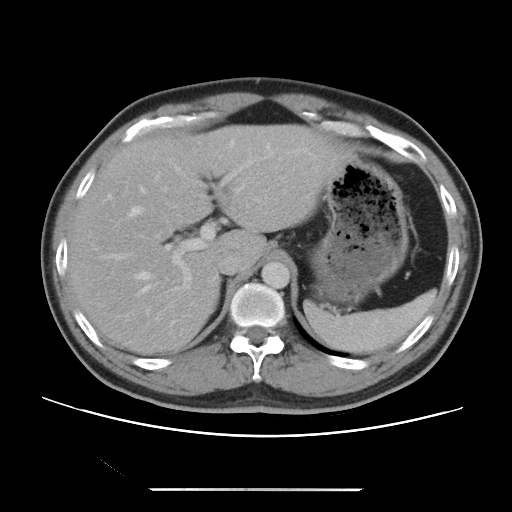

Computed tomography, abdomen. axial view
Coordinates as <box>x1,y1,x2,y2</box> in pixels. The annotated organs in this slice are: spleen at <box>303,289,436,353</box>, liver at <box>68,124,354,354</box>, stomach at <box>310,158,408,300</box>, aorta at <box>261,261,290,288</box>, inferior vena cava at <box>216,251,241,274</box>.